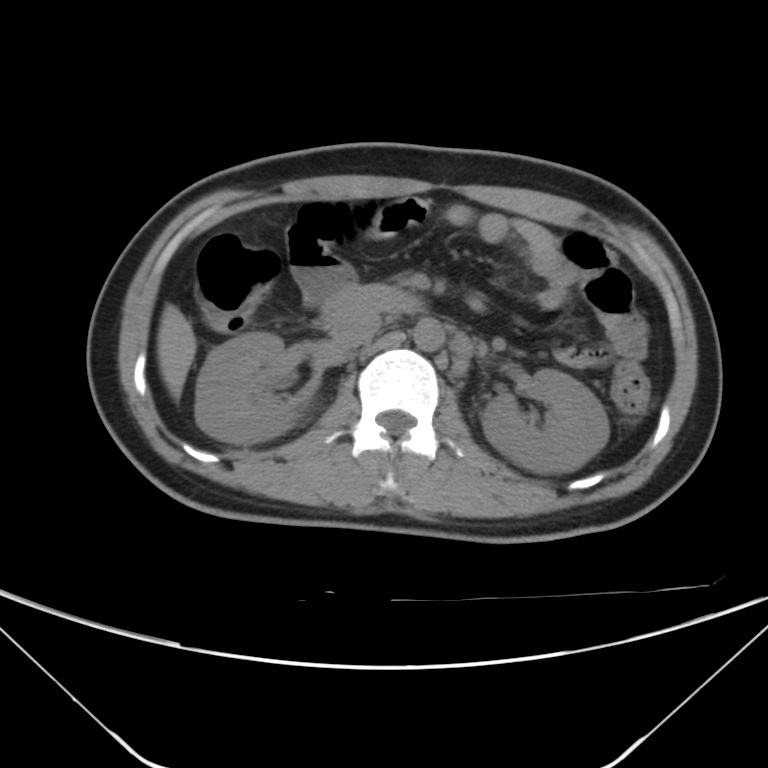

Abdominal CT; axial plane, index 60; 24-year-old male patient; scan has 15 labeled organs (a whole-scan count: organs this slice does not pass through have no box)
{"organs":{"right kidney":[194,332,311,443],"left kidney":[482,369,609,474],"liver":[156,304,196,401],"aorta":[413,317,445,350],"inferior vena cava":[330,311,381,349],"duodenum":[321,285,424,326]}}